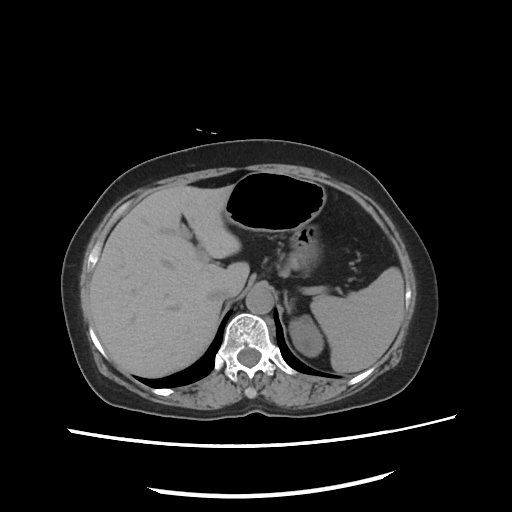

CT, abdomen/pelvis. axial view. 512x512 px. 15 organs annotated in this scan (that count is for the whole scan; organs this slice misses have no box)
Boxes: x1 y1 x2 y2 (pixel coords, space-separated).
spleen: 310 267 405 373
left kidney: 288 315 323 356
liver: 88 184 250 377
stomach: 224 173 325 275
aorta: 247 289 272 312
inferior vena cava: 206 289 230 302
left adrenal gland: 284 295 293 314